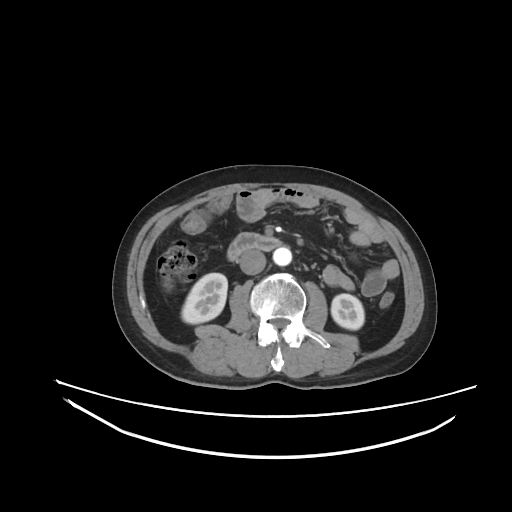 Computed tomography, abdomen · axial view
Boxes: x1 y1 x2 y2 (pixel coords, space-separated).
right kidney: 181 273 227 323
left kidney: 331 294 364 329
aorta: 273 247 291 265
inferior vena cava: 239 249 266 274
duodenum: 227 232 282 260